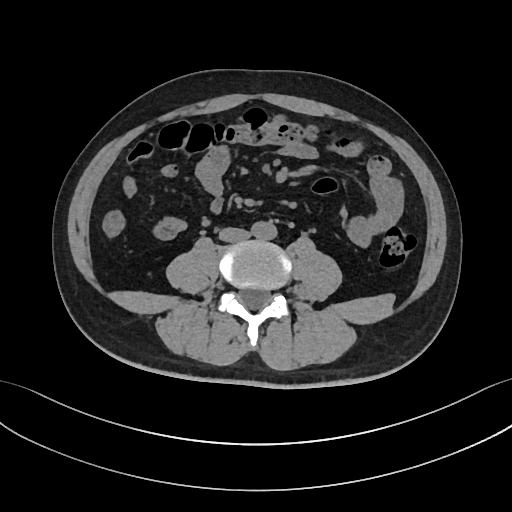

Abdominal CT · axial view · soft-tissue window
Coordinates as <box>x1,y1,x2,y2</box> in pixels.
aorta: <box>250,222,277,239</box>
inferior vena cava: <box>219,227,249,242</box>